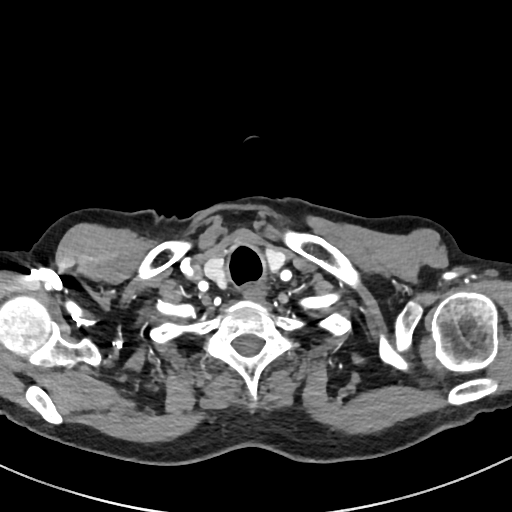

CT of the abdomen extending into the chest, slice through the chest; axial view; 15 organs annotated in this scan (a whole-scan count: organs this slice does not pass through have no box)
On a slice this high in the chest, this dataset labels only the esophagus and the aorta, and each is boxed only where it is labeled; the heart, lungs and other chest structures are not labeled. Boxes: x1 y1 x2 y2 (pixel coords, space-separated). The annotated organs in this slice are: esophagus at 243 285 265 300.